Computed tomography, abdomen — axial plane, index 142 — abdomen soft-tissue window — 15 organs annotated in this scan (a whole-scan count: organs this slice does not pass through have no box)
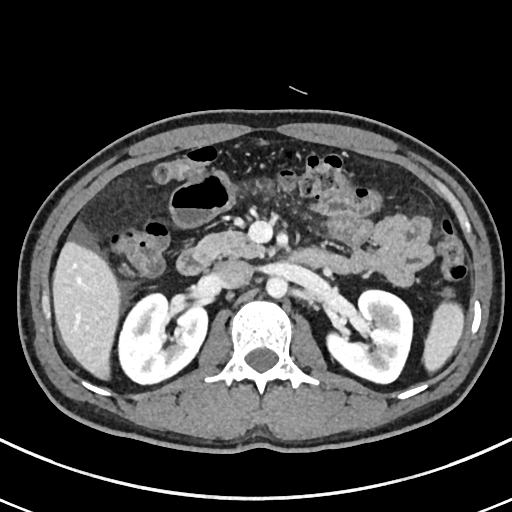
Bounding boxes as [x1, y1, x2, y2] in pixel coordinates.
Organ bounding boxes:
- spleen: [424, 303, 462, 369]
- duodenum: [176, 249, 341, 275]
- left kidney: [327, 290, 413, 382]
- liver: [52, 242, 117, 379]
- inferior vena cava: [214, 260, 251, 288]
- right kidney: [118, 292, 208, 385]
- pancreas: [197, 230, 267, 258]
- aorta: [266, 276, 287, 297]